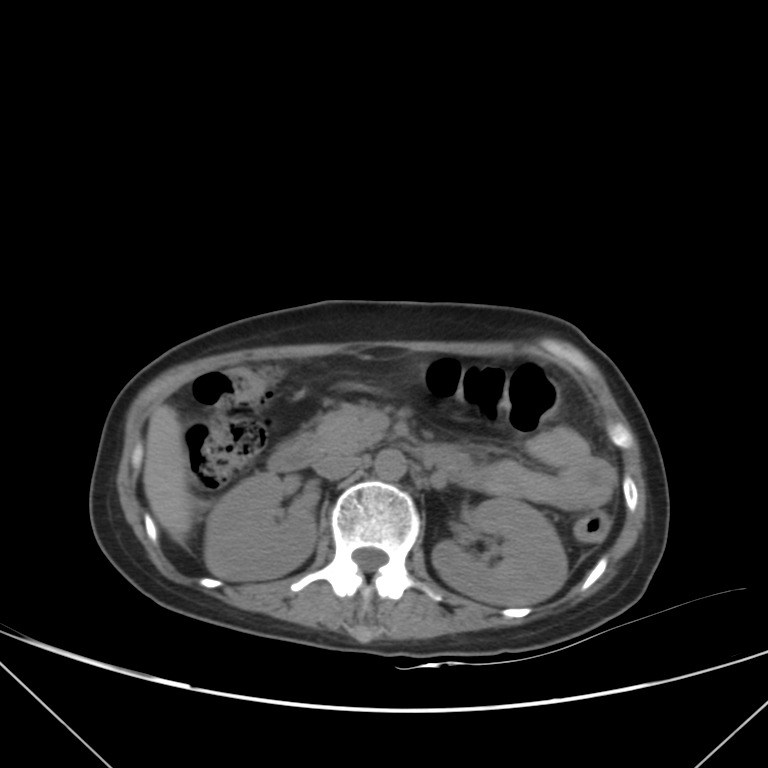
CT, abdomen/pelvis · axial view · soft-tissue window · 768x768 px · 39-year-old female patient · Brilliance16 scanner
<organs><organ name="right kidney" x1="205" y1="474" x2="315" y2="579"/><organ name="left kidney" x1="431" y1="497" x2="567" y2="605"/><organ name="liver" x1="144" y1="406" x2="192" y2="540"/><organ name="aorta" x1="374" y1="450" x2="407" y2="479"/><organ name="inferior vena cava" x1="315" y1="455" x2="359" y2="479"/><organ name="pancreas" x1="313" y1="406" x2="381" y2="452"/><organ name="duodenum" x1="267" y1="435" x2="469" y2="474"/></organs>